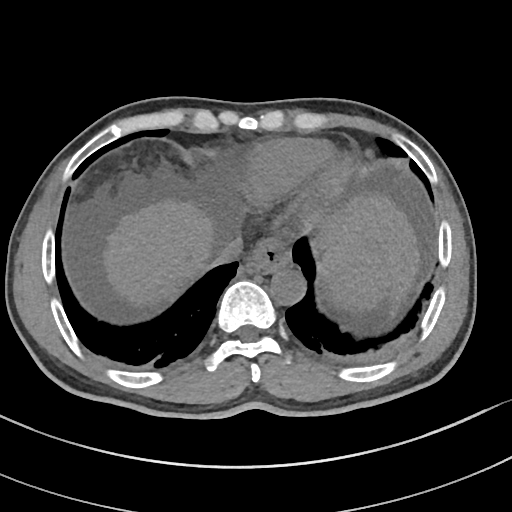 CT, abdomen/pelvis; axial view; soft-tissue window
<organs><organ name="spleen" x1="321" y1="233" x2="391" y2="311"/><organ name="esophagus" x1="244" y1="239" x2="291" y2="272"/><organ name="liver" x1="102" y1="192" x2="420" y2="311"/><organ name="aorta" x1="270" y1="268" x2="305" y2="304"/><organ name="inferior vena cava" x1="207" y1="236" x2="242" y2="266"/></organs>